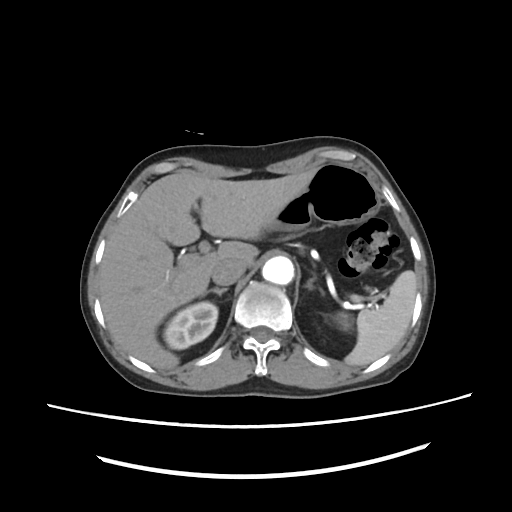 Computed tomography, abdomen; axial view; 67-year-old male patient; 15 organs annotated in this scan (a whole-scan count: organs this slice does not pass through have no box)
Box edges are left/top/right/bottom in pixels.
spleen: left=333, top=271, right=417, bottom=366
right kidney: left=163, top=301, right=217, bottom=348
liver: left=99, top=168, right=315, bottom=371
stomach: left=268, top=161, right=377, bottom=233
aorta: left=262, top=257, right=294, bottom=283
inferior vena cava: left=211, top=259, right=246, bottom=285
right adrenal gland: left=207, top=288, right=227, bottom=295
left adrenal gland: left=306, top=275, right=323, bottom=293